Abdominal CT; Axial slice 43/118
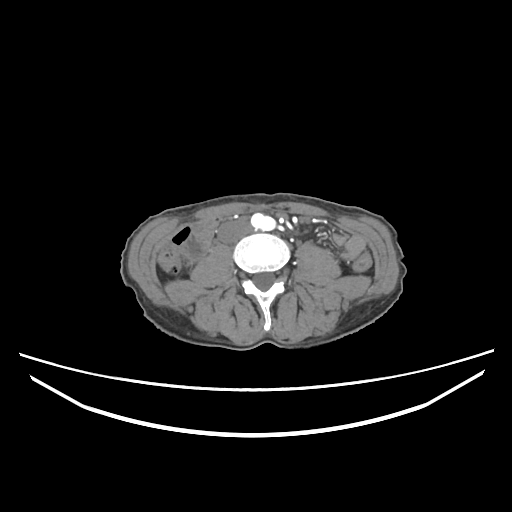

{"organs":{"inferior vena cava":[218,218,250,243]}}